Computed tomography, abdomen; axial view; abdomen soft-tissue window
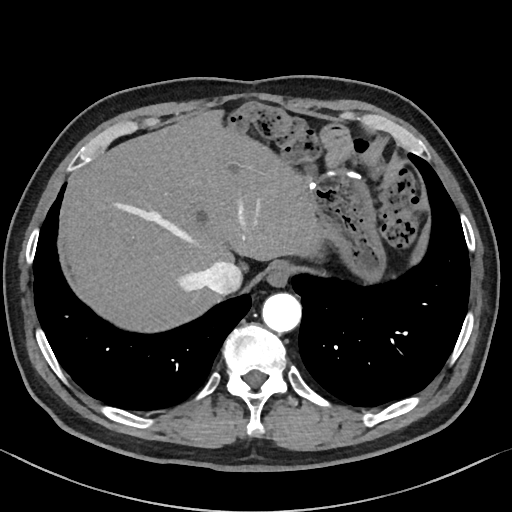 <organs><organ name="stomach" x1="309" y1="170" x2="383" y2="278"/><organ name="esophagus" x1="266" y1="262" x2="291" y2="287"/><organ name="liver" x1="62" y1="110" x2="325" y2="331"/><organ name="inferior vena cava" x1="200" y1="260" x2="241" y2="293"/><organ name="aorta" x1="262" y1="293" x2="301" y2="332"/></organs>